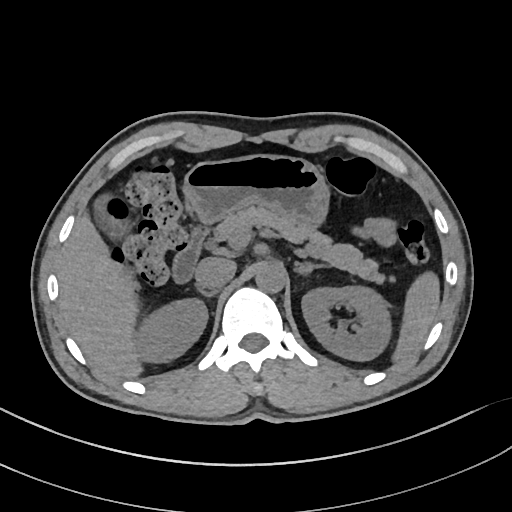
CT abdomen · axial view · abdomen soft-tissue window
Bounding boxes in pixels, one row per box: x1, y1 is the top-left corner and x2, y2 the bottom-right.
| organ | x1 | y1 | x2 | y2 |
|---|---|---|---|---|
| stomach | 183 | 154 | 328 | 225 |
| right kidney | 134 | 298 | 207 | 363 |
| pancreas | 214 | 206 | 385 | 283 |
| liver | 59 | 213 | 142 | 377 |
| aorta | 255 | 263 | 285 | 293 |
| right adrenal gland | 198 | 289 | 214 | 297 |
| duodenum | 172 | 226 | 209 | 283 |
| left adrenal gland | 295 | 262 | 327 | 274 |
| left kidney | 302 | 286 | 391 | 360 |
| spleen | 393 | 271 | 439 | 361 |
| inferior vena cava | 195 | 257 | 235 | 289 |
| gall bladder | 95 | 196 | 122 | 232 |